CT, abdomen/pelvis. axial plane, index 89. 512x512 px. 15 organs annotated in this scan (that count is for the whole scan; organs this slice misses have no box)
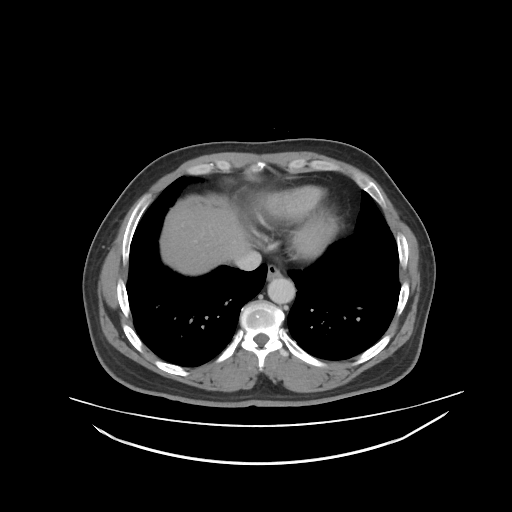

Boxes are (x1, y1, x2, y2) in pixels.
Organ bounding boxes:
- esophagus: (266, 263, 279, 280)
- liver: (160, 206, 250, 274)
- aorta: (267, 278, 295, 304)
- inferior vena cava: (234, 250, 261, 270)